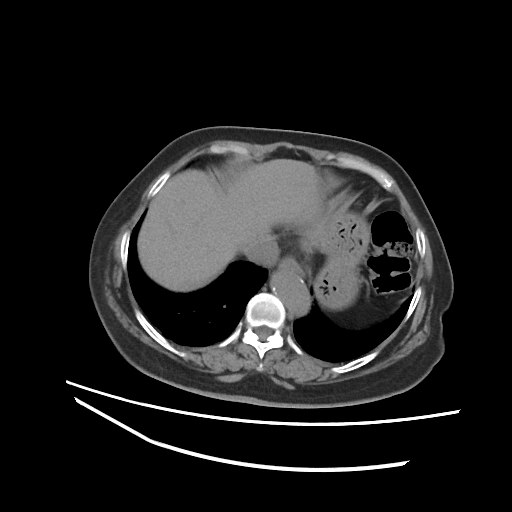

CT, abdomen/pelvis. axial plane, index 77. 512x512 px
Boxes: x1 y1 x2 y2 (pixel coords, space-separated).
Organ bounding boxes:
- liver: 137 159 325 291
- inferior vena cava: 243 237 278 265
- esophagus: 279 258 304 275
- stomach: 313 201 370 309
- aorta: 270 268 309 315